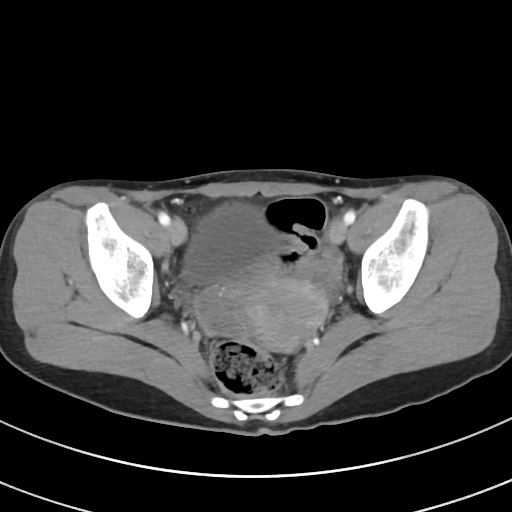
Computed tomography, abdomen. axial view
Coordinates as <box>x1,y1,x2,y2</box> in pixels.
Organ bounding boxes:
- bladder: <box>184,203,279,283</box>
- prostate/uterus: <box>230,268,327,352</box>